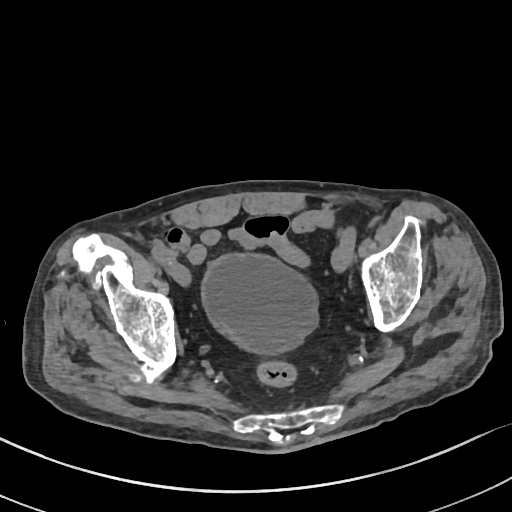 CT abdomen; axial view; W/L 400/40 HU
Box edges are left/top/right/bottom in pixels.
Organ bounding boxes:
- bladder: left=202, top=253, right=318, bottom=354